Computed tomography, abdomen. axial view. Aquilion ONE scanner
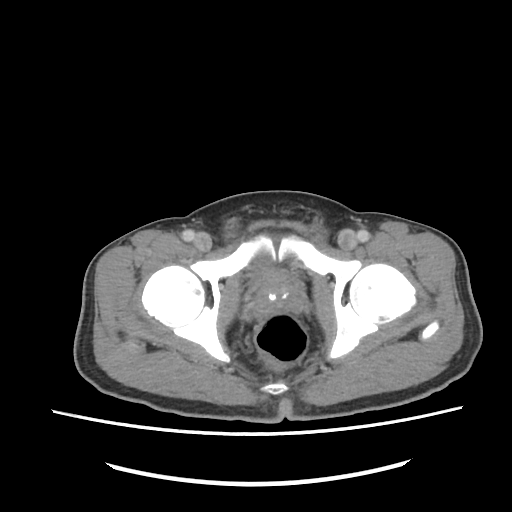
Boxes are (x1, y1, x2, y2) in pixels. The annotated organs in this slice are: bladder at (252, 255, 274, 281), prostate/uterus at (253, 274, 303, 315).